CT abdomen · axial view · 63-year-old female patient
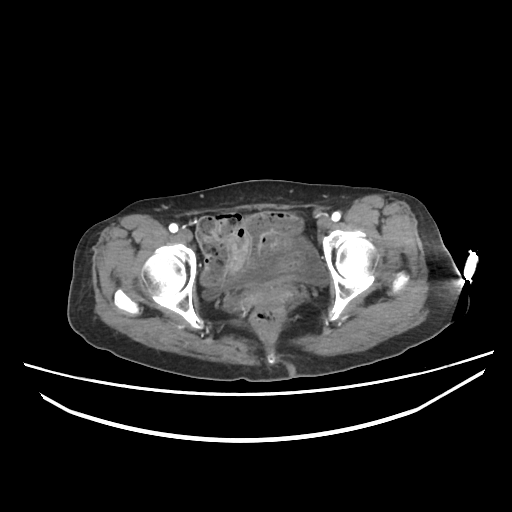
<organs><organ name="bladder" x1="201" y1="250" x2="330" y2="302"/><organ name="prostate/uterus" x1="241" y1="284" x2="291" y2="310"/></organs>